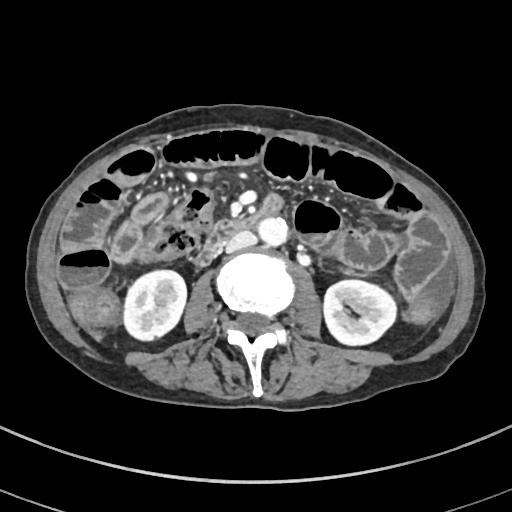
CT abdomen · Axial slice 103/198 · abdomen soft-tissue window
Bounding boxes as [x1, y1, x2, y2] in pixel coordinates. Labeled organs on this slice: right kidney at [124, 271, 186, 339], left kidney at [324, 279, 397, 345], aorta at [257, 217, 290, 245], inferior vena cava at [225, 230, 257, 252], duodenum at [197, 193, 283, 265].